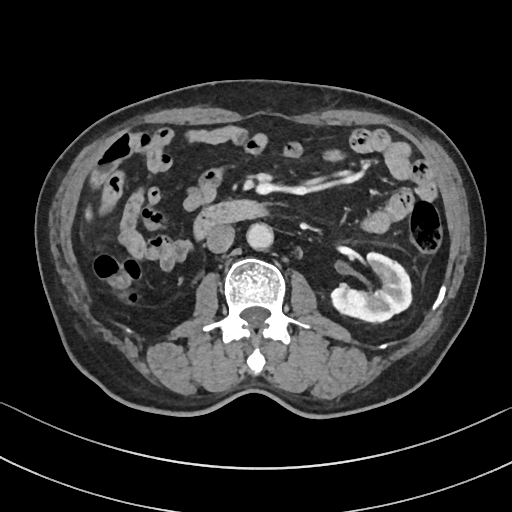
CT, abdomen/pelvis; Axial slice 145/221; 512x512 px
Boxes: x1:y1:x2:y2 in pixels.
left kidney: 331:252:411:321
duodenum: 193:200:266:240
liver: 87:210:90:217
inferior vena cava: 206:225:234:252
aorta: 246:222:273:250